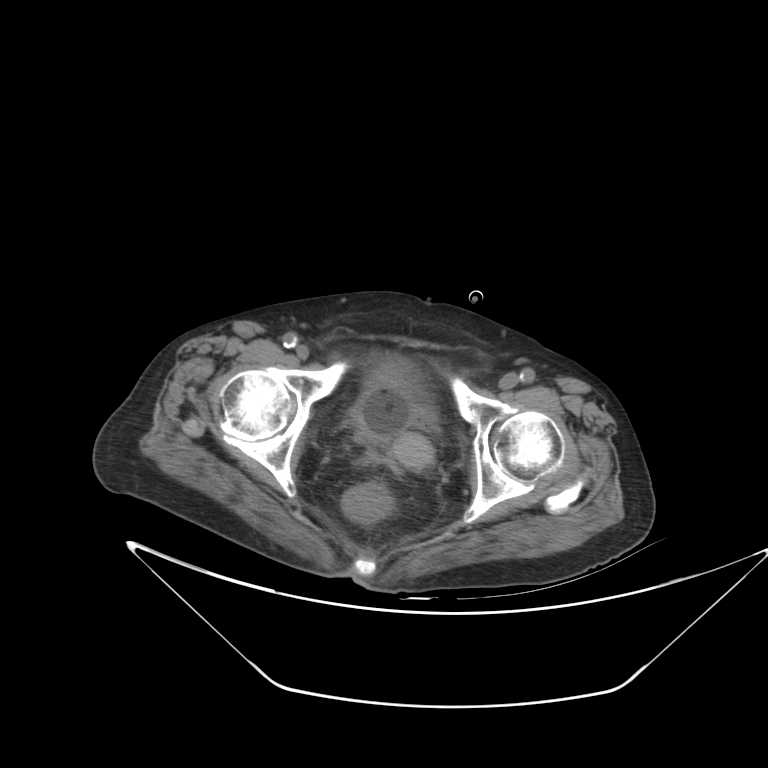
Computed tomography, abdomen · axial view · Brilliance16 scanner
{"organs":{"bladder":[350,353,436,442],"prostate/uterus":[393,431,434,464]}}